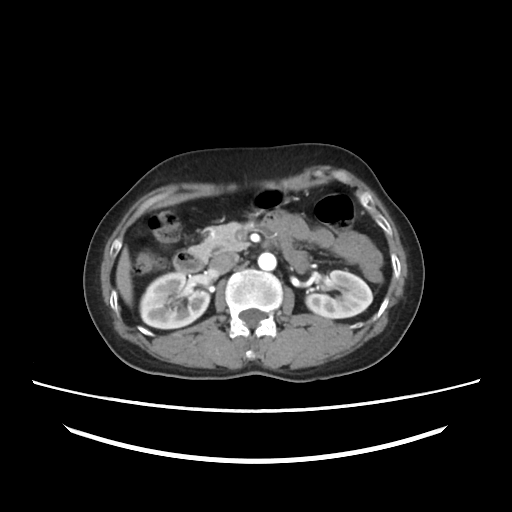 Computed tomography, abdomen. axial view. soft-tissue window. acquired on Aquilion ONE
Boxes are (x1, y1, x2, y2) in pixels.
Organ bounding boxes:
- aorta: (258, 252, 276, 270)
- stomach: (251, 188, 287, 213)
- inferior vena cava: (210, 252, 238, 273)
- duodenum: (173, 251, 204, 273)
- pancreas: (188, 222, 248, 261)
- left kidney: (306, 270, 372, 318)
- right kidney: (140, 272, 209, 328)
- liver: (116, 247, 132, 305)